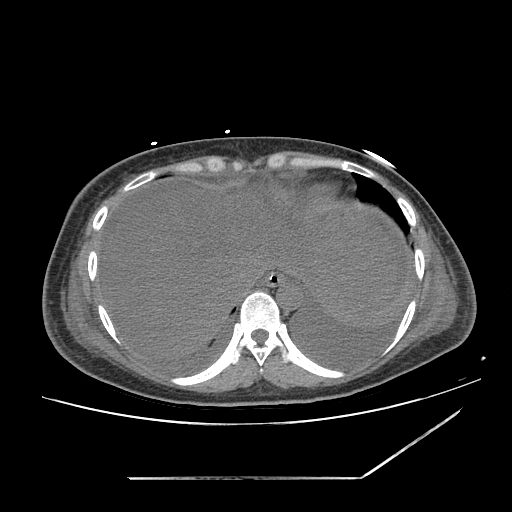 CT, abdomen/pelvis. axial plane, index 163. W/L 400/40 HU
Bounding boxes as [x1, y1, x2, y2] in pixel coordinates.
Organ bounding boxes:
- esophagus: [263, 272, 295, 286]
- liver: [98, 186, 395, 356]
- stomach: [279, 282, 300, 303]
- aorta: [276, 283, 302, 308]
- inferior vena cava: [228, 265, 261, 296]